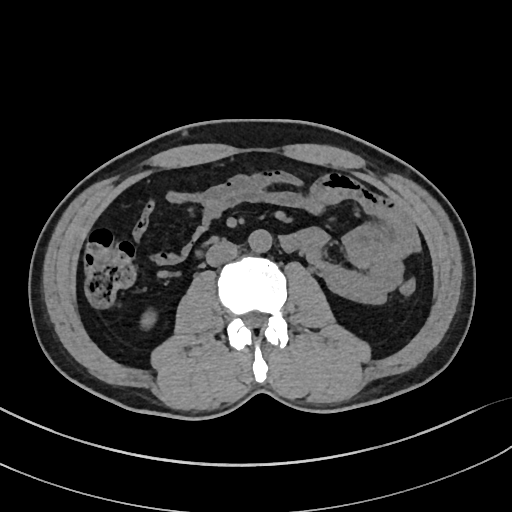 CT abdomen · axial plane, index 131 · acquired on SOMATOM Force · 15 organs annotated in this scan (counted over the whole 3D scan, not this slice; an organ is boxed only where this slice passes through it)
Boxes are (x1, y1, x2, y2) in pixels.
Organ bounding boxes:
- right kidney: (140, 308, 156, 329)
- aorta: (248, 229, 271, 253)
- inferior vena cava: (206, 241, 237, 266)